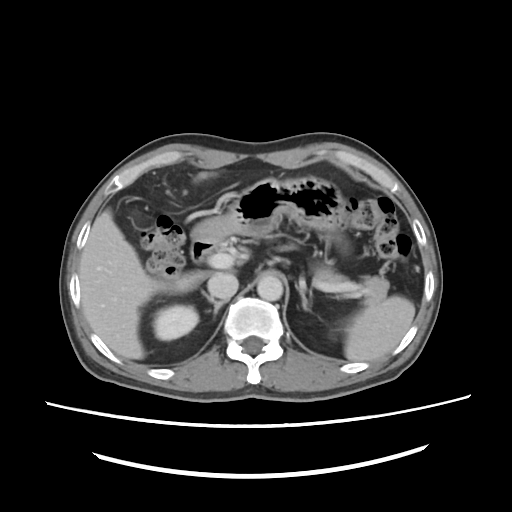
CT abdomen; axial plane, index 73; 512x512 px; 45-year-old male patient; acquired on Aquilion ONE
Each box given as x1,y1,x2,y2.
Organ bounding boxes:
- spleen: x1=345, y1=295, x2=415, y2=362
- right kidney: x1=149, y1=305, x2=198, y2=341
- liver: x1=80, y1=209, x2=215, y2=358
- stomach: x1=190, y1=176, x2=349, y2=244
- aorta: x1=257, y1=272, x2=283, y2=300
- inferior vena cava: x1=207, y1=272, x2=239, y2=298
- pancreas: x1=313, y1=268, x2=388, y2=304
- right adrenal gland: x1=201, y1=292, x2=227, y2=316
- left adrenal gland: x1=295, y1=286, x2=308, y2=312
- duodenum: x1=189, y1=241, x2=216, y2=263